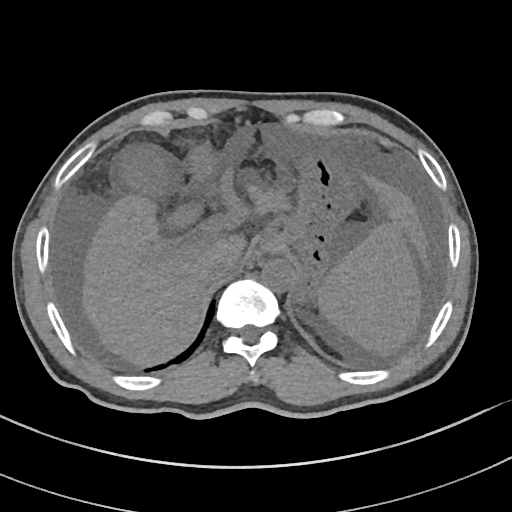 Abdominal CT · axial plane, index 173 · soft-tissue window (W 400 / L 40)
{"organs":{"liver":[82,175,432,364],"inferior vena cava":[205,253,237,281],"gall bladder":[122,149,164,191],"stomach":[257,156,360,300],"aorta":[262,259,296,292],"spleen":[318,222,419,354]}}